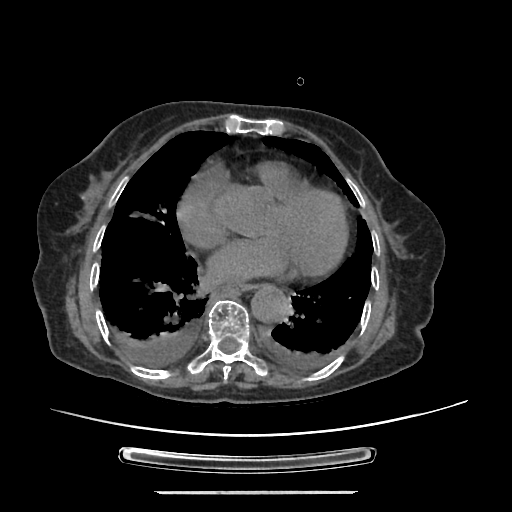 CT of the abdomen reaching into the lower chest, slice just above the liver and spleen; Axial slice 341/353; soft-tissue window; scan has 14 labeled organs (counted over the whole 3D scan, not this slice; an organ is boxed only where this slice passes through it)
Of the structures in the chest, this dataset labels only the esophagus, the aorta and the inferior vena cava; the heart and lungs have no label.
One row per box, in pixels: columns x1 and y1 give the top-left corner, x2 and y2 the bottom-right.
| organ | x1 | y1 | x2 | y2 |
|---|---|---|---|---|
| aorta | 251 | 285 | 290 | 322 |
| esophagus | 223 | 284 | 253 | 291 |